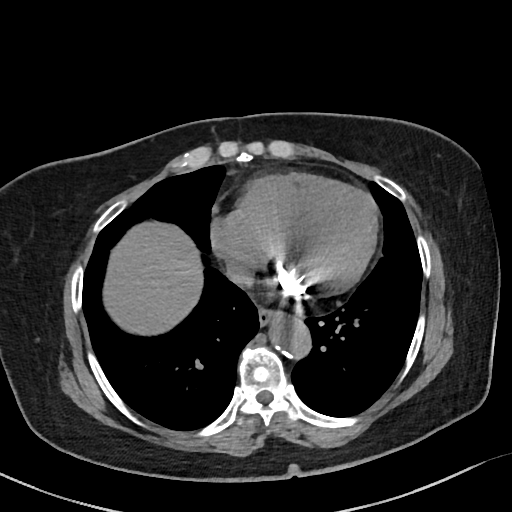 CT abdomen · axial view · abdomen soft-tissue window
Box edges are left/top/right/bottom in pixels.
Organ bounding boxes:
- esophagus: left=258, top=306, right=276, bottom=326
- liver: left=103, top=221, right=202, bottom=334
- aorta: left=268, top=311, right=310, bottom=358
- inferior vena cava: left=227, top=263, right=254, bottom=286